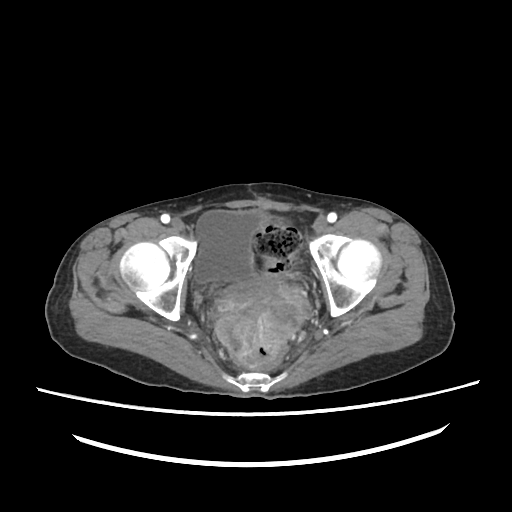
CT, abdomen/pelvis; axial view; 512x512 px
Bounding boxes as [x1, y1, x2, y2] in pixel coordinates. The annotated organs in this slice are: bladder at [194, 210, 267, 283], prostate/uterus at [218, 276, 310, 336].